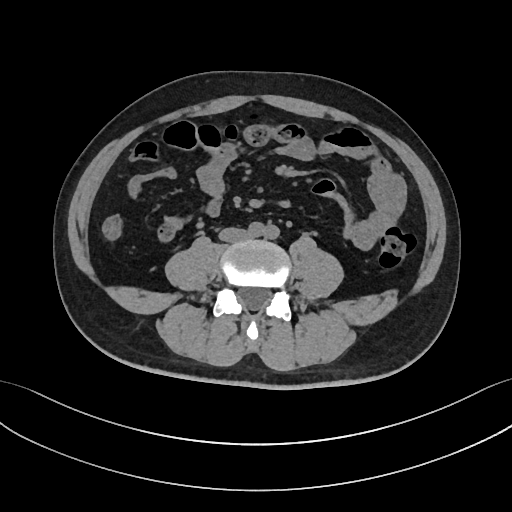
Abdominal CT. axial view. soft-tissue window
Bounding boxes as [x1, y1, x2, y2] in pixel coordinates.
Organ bounding boxes:
- inferior vena cava: [219, 227, 248, 242]